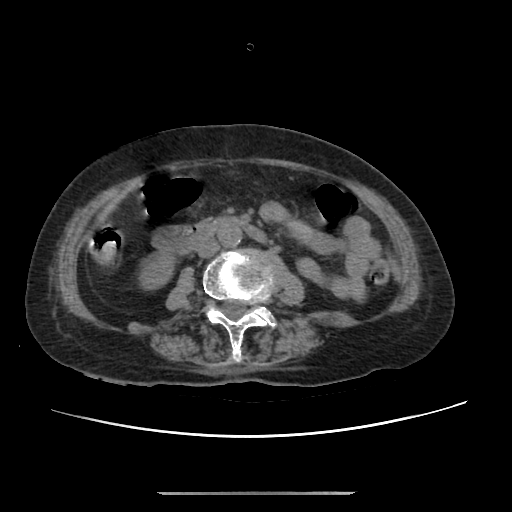

Abdominal CT — axial view — abdomen soft-tissue window — scan has 14 labeled organs (a whole-scan count: organs this slice does not pass through have no box)
Boxes: x1 y1 x2 y2 (pixel coords, space-separated).
Organ bounding boxes:
- right kidney: 141 253 173 288
- aorta: 218 223 242 246
- inferior vena cava: 197 240 219 257
- duodenum: 155 219 263 251